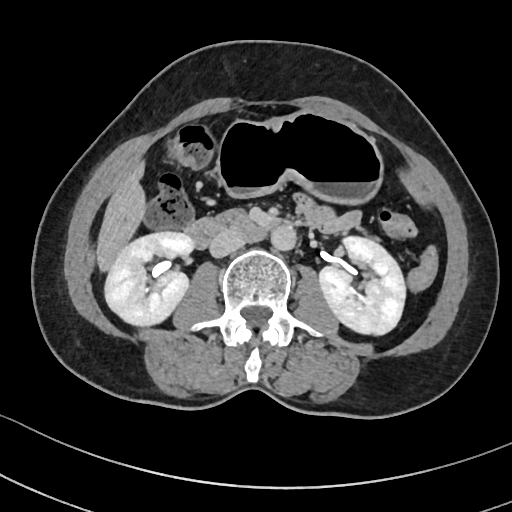 CT abdomen — axial plane, index 112 — soft-tissue window
Boxes are (x1, y1, x2, y2) in pixels. 8 labeled organs on this slice — right kidney at (105, 233, 190, 328); left kidney at (318, 236, 404, 337); liver at (95, 158, 147, 274); stomach at (219, 112, 383, 204); aorta at (271, 226, 296, 251); inferior vena cava at (209, 230, 246, 257); pancreas at (235, 210, 240, 211); duodenum at (185, 210, 276, 249).